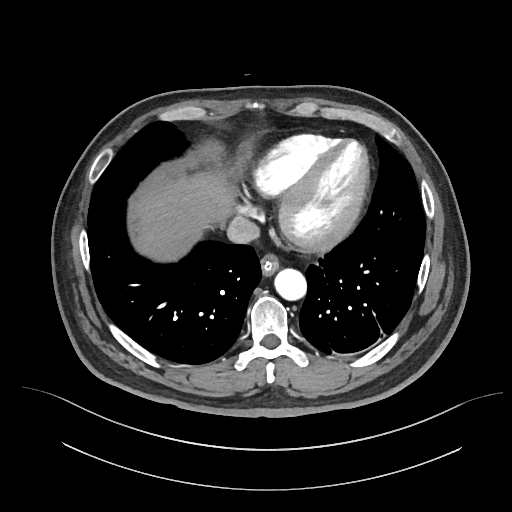 CT abdomen — Axial slice 227/333 — abdomen soft-tissue window — SOMATOM Force scanner
Box edges are left/top/right/bottom in pixels.
liver: left=128, top=166, right=234, bottom=262
inferior vena cava: left=227, top=216, right=259, bottom=244
aorta: left=274, top=269, right=306, bottom=300
esophagus: left=260, top=254, right=279, bottom=276